Lower-chest slice from an abdominal CT, just above the liver and spleen. axial view
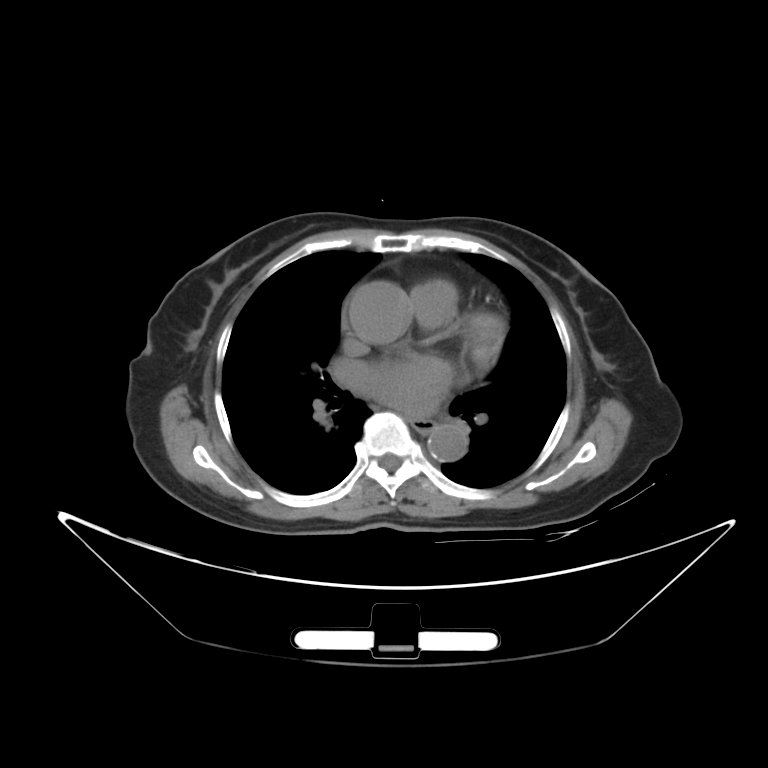 Of the structures in the chest, this dataset labels only the esophagus, the aorta and the inferior vena cava; the heart and lungs have no label.
Bounding boxes in pixels, one row per box: x1, y1 is the top-left corner and x2, y2 the bottom-right.
| organ | x1 | y1 | x2 | y2 |
|---|---|---|---|---|
| esophagus | 413 | 419 | 434 | 432 |
| aorta | 428 | 424 | 467 | 461 |